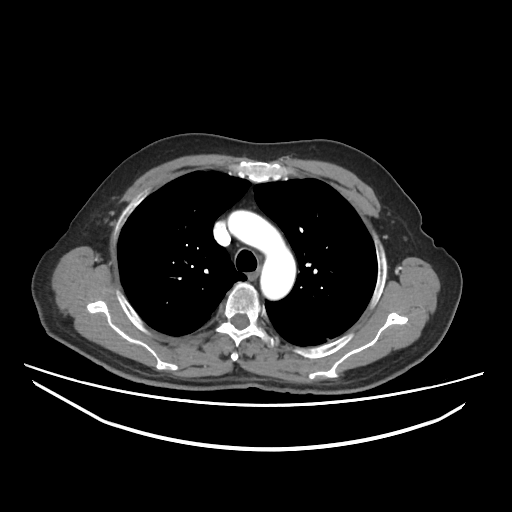

CT of the abdomen extending into the chest, slice through the chest · axial view · 512x512 px · acquired on Aquilion ONE · scan has 15 labeled organs (a whole-scan count: organs this slice does not pass through have no box)
At this level of the chest no structure but the esophagus and the aorta has a label in this dataset, and those two are boxed only where they are labeled.
Coordinates as <box>x1,y1,x2,y2</box> in pixels.
esophagus: <box>247,272,258,280</box>
aorta: <box>228,210,295,299</box>